CT, abdomen/pelvis — Axial slice 189/345
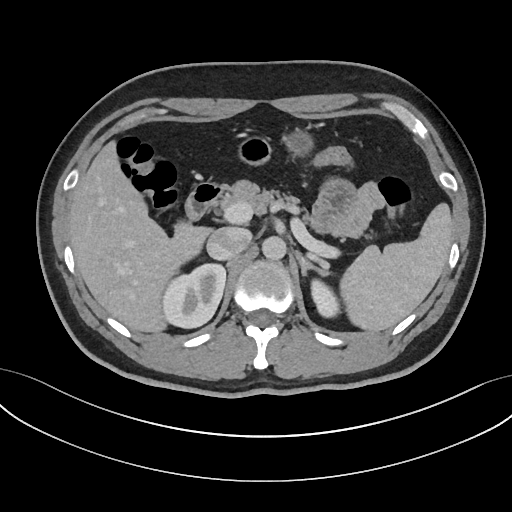
Boxes are (x1, y1, x2, y2) in pixels.
left kidney: (311, 280, 339, 317)
aorta: (262, 236, 286, 260)
inferior vena cava: (207, 227, 251, 260)
liver: (68, 141, 213, 332)
stomach: (237, 131, 313, 165)
pancreas: (220, 180, 299, 210)
duodenum: (185, 183, 227, 220)
spleen: (340, 203, 451, 331)
left adrenal gland: (295, 251, 328, 277)
right kidney: (162, 264, 225, 328)